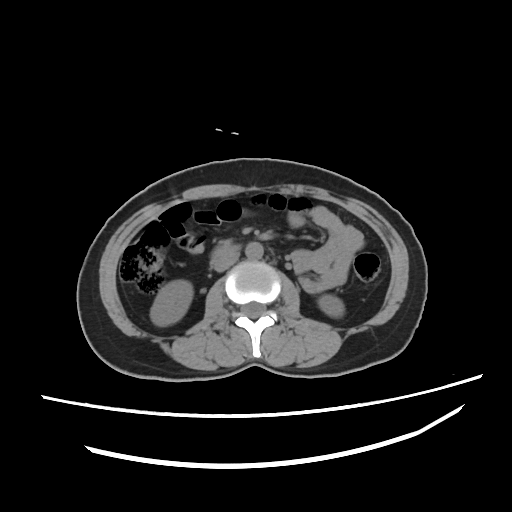

CT, abdomen/pelvis; Axial slice 59/93; abdomen soft-tissue window; acquired on Aquilion ONE
{"organs":{"left kidney":[318,294,344,316],"aorta":[245,242,261,258],"duodenum":[209,245,242,263],"inferior vena cava":[212,252,241,272],"right kidney":[151,281,192,326]}}